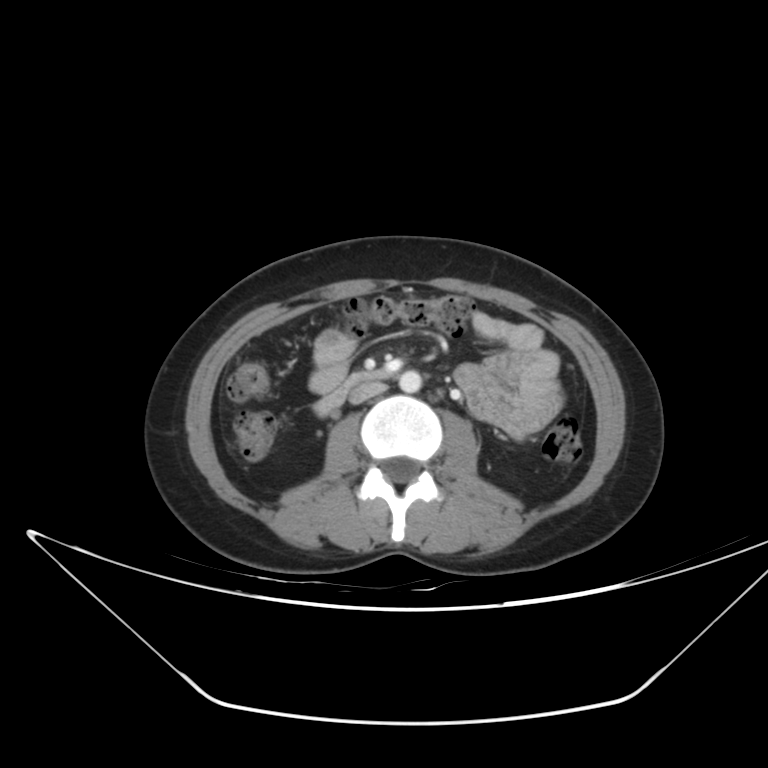 Abdominal CT; Axial slice 3/72; 768x768 px; 34-year-old female patient
Boxes are (x1, y1, x2, y2) in pixels.
Organ bounding boxes:
- aorta: (399, 371, 421, 392)
- inferior vena cava: (350, 383, 385, 404)
- duodenum: (313, 371, 386, 416)